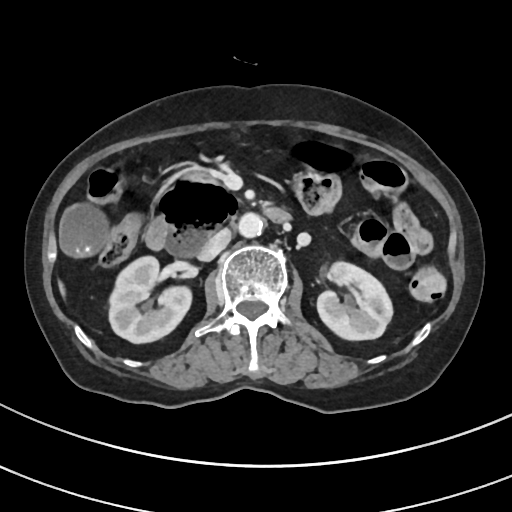
Abdominal CT. axial view
Bounding boxes in pixels, one row per box: x1, y1 is the top-left corner and x2, y2 the bottom-right.
| organ | x1 | y1 | x2 | y2 |
|---|---|---|---|---|
| right kidney | 108 | 255 | 191 | 342 |
| left kidney | 317 | 260 | 392 | 339 |
| gall bladder | 60 | 206 | 106 | 257 |
| liver | 59 | 281 | 63 | 293 |
| aorta | 239 | 212 | 265 | 237 |
| inferior vena cava | 199 | 228 | 232 | 260 |
| pancreas | 185 | 169 | 216 | 181 |
| duodenum | 144 | 180 | 292 | 257 |